CT, abdomen/pelvis — axial view — 768x768 px — scan has 15 labeled organs (a whole-scan count: organs this slice does not pass through have no box)
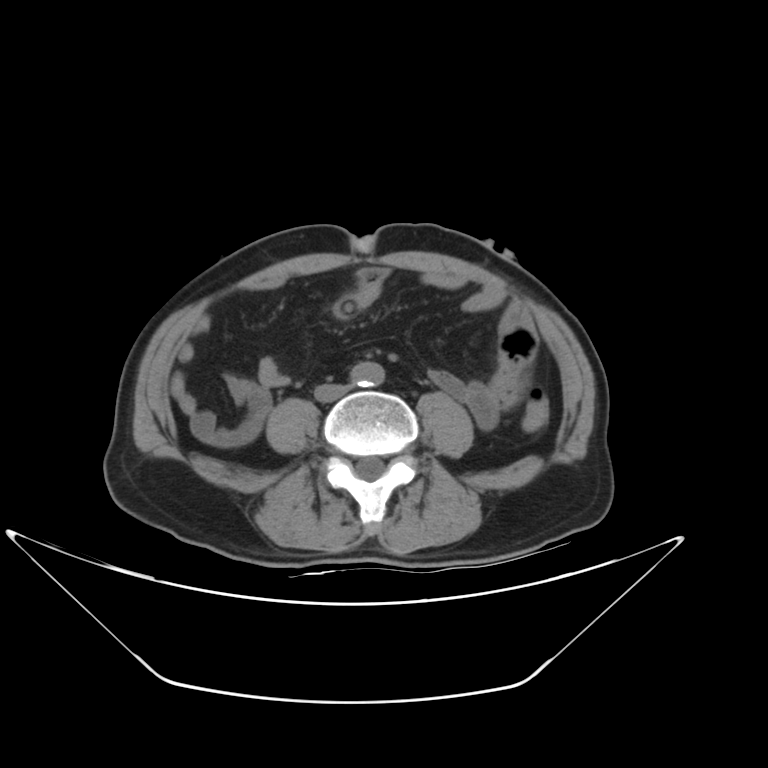
Boxes: x1:y1:x2:y2 in pixels.
Organ bounding boxes:
- aorta: 351:361:384:387
- inferior vena cava: 315:384:349:401